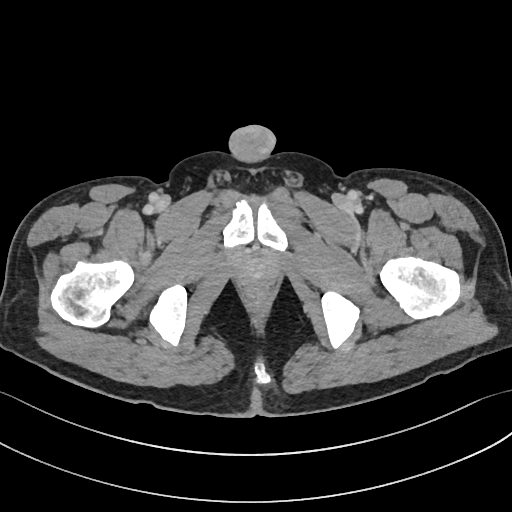

Computed tomography, abdomen. axial plane, index 20. soft-tissue window. 512x512 px. acquired on SOMATOM Force. scan has 14 labeled organs (counted over the whole 3D scan, not this slice; an organ is boxed only where this slice passes through it)
Boxes: x1 y1 x2 y2 (pixel coords, space-separated).
Organ bounding boxes:
- prostate/uterus: 240 256 275 282